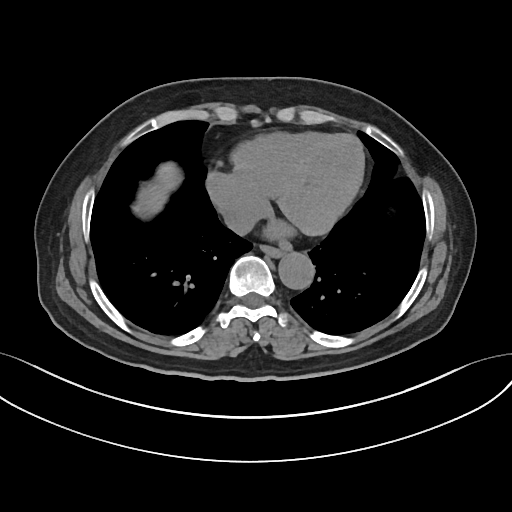

CT, abdomen/pelvis; axial view
Coordinates as <box>x1,y1,x2,y2</box> in pixels.
Organ bounding boxes:
- esophagus: <box>260,245,283,257</box>
- aorta: <box>278,252,314,289</box>
- liver: <box>133,162,181,217</box>
- inferior vena cava: <box>223,207,257,234</box>